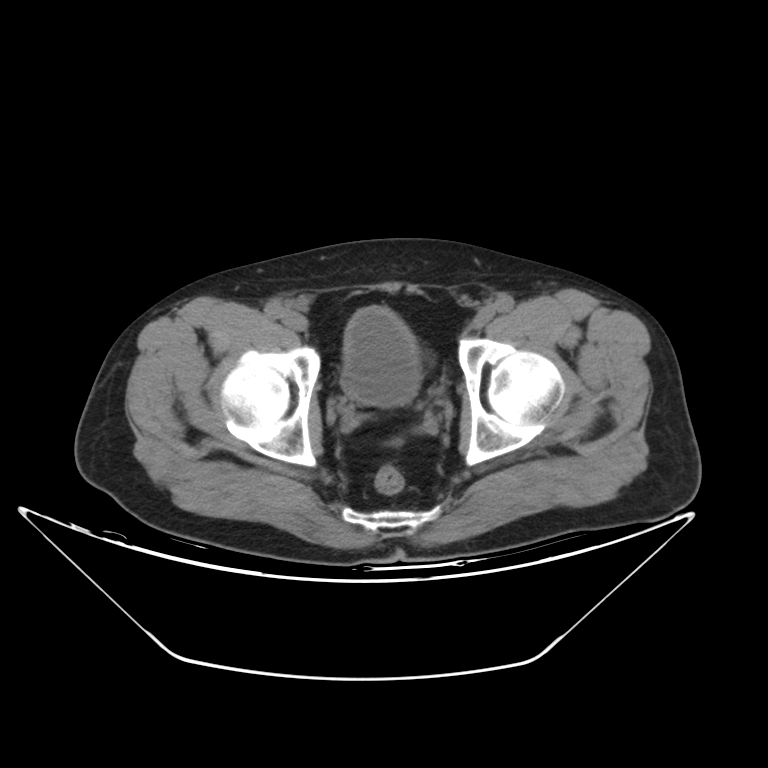

CT, abdomen/pelvis — axial view — W/L 400/40 HU — 768x768 px — 71-year-old male patient — acquired on Brilliance16 — 15 organs annotated in this scan (that count is for the whole scan; organs this slice misses have no box)
<organs><organ name="bladder" x1="341" y1="306" x2="423" y2="406"/></organs>